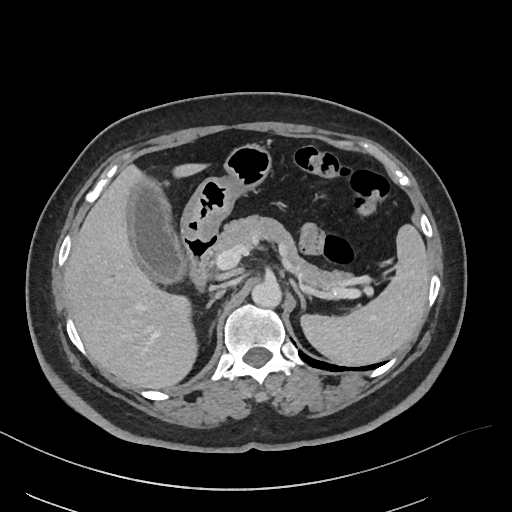
CT, abdomen/pelvis; axial view
{"organs":{"spleen":[299,223,429,365],"gall bladder":[126,173,183,284],"liver":[64,163,207,389],"stomach":[181,143,272,237],"aorta":[252,281,282,309],"inferior vena cava":[213,280,235,290],"pancreas":[213,214,348,287],"right adrenal gland":[205,291,224,312],"left adrenal gland":[292,283,306,307],"duodenum":[185,234,218,284]}}